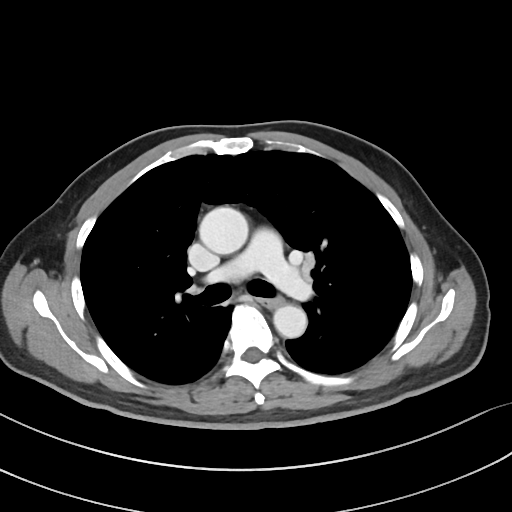
Chest-level CT slice, above the liver and spleen — Axial slice 102/128 — soft-tissue window — 512x512 px — SOMATOM Force scanner — 15 organs annotated in this scan (that count is for the whole scan; organs this slice misses have no box)
At this level of the chest this dataset labels only the esophagus and the aorta, and each is boxed only where it is labeled; the heart and lungs are never labeled.
<organs><organ name="aorta" x1="199" y1="206" x2="248" y2="254"/><organ name="aorta" x1="273" y1="305" x2="306" y2="337"/><organ name="esophagus" x1="262" y1="297" x2="283" y2="308"/></organs>